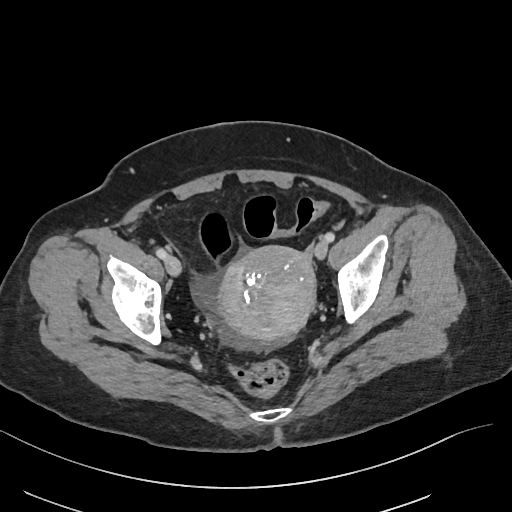

Abdominal CT; axial view; scan has 15 labeled organs (counted over the whole 3D scan, not this slice; an organ is boxed only where this slice passes through it)
{"organs":{"prostate/uterus":[219,246,315,340]}}